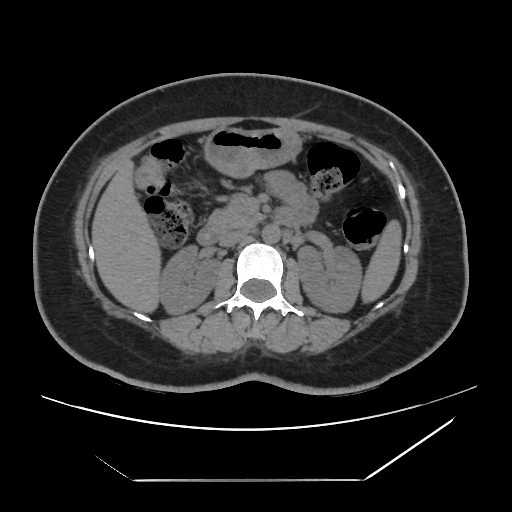

Abdominal CT — Axial slice 215/345 — W/L 400/40 HU
Box edges are left/top/right/bottom in pixels.
Organ bounding boxes:
- spleen: left=361, top=220, right=401, bottom=303
- right kidney: left=159, top=245, right=218, bottom=314
- left kidney: left=297, top=246, right=361, bottom=312
- liver: left=91, top=159, right=160, bottom=312
- stomach: left=204, top=128, right=301, bottom=177
- aorta: left=262, top=224, right=280, bottom=243
- inferior vena cava: left=219, top=229, right=248, bottom=247
- pancreas: left=207, top=193, right=263, bottom=231
- duodenum: left=196, top=206, right=298, bottom=245